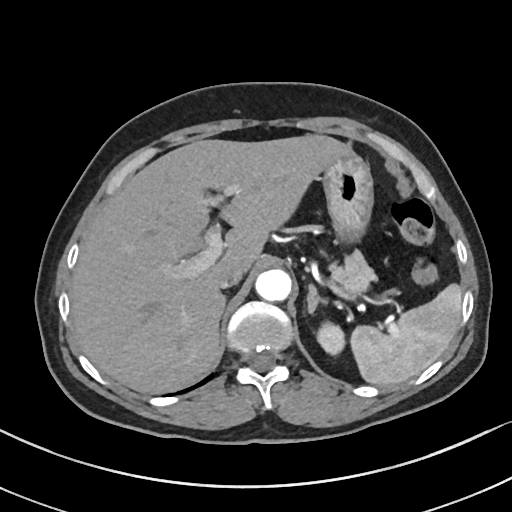 CT, abdomen/pelvis — axial plane, index 169 — acquired on SOMATOM Force — 15 organs annotated in this scan (counted over the whole 3D scan, not this slice; an organ is boxed only where this slice passes through it)
Bounding boxes in pixels, one row per box: x1, y1 is the top-left corner and x2, y2 the bottom-right.
| organ | x1 | y1 | x2 | y2 |
|---|---|---|---|---|
| spleen | 349 | 285 | 462 | 387 |
| left kidney | 318 | 324 | 344 | 353 |
| liver | 71 | 134 | 350 | 393 |
| stomach | 320 | 152 | 373 | 240 |
| aorta | 255 | 269 | 291 | 301 |
| inferior vena cava | 218 | 266 | 245 | 288 |
| pancreas | 329 | 253 | 374 | 293 |
| left adrenal gland | 307 | 283 | 328 | 314 |